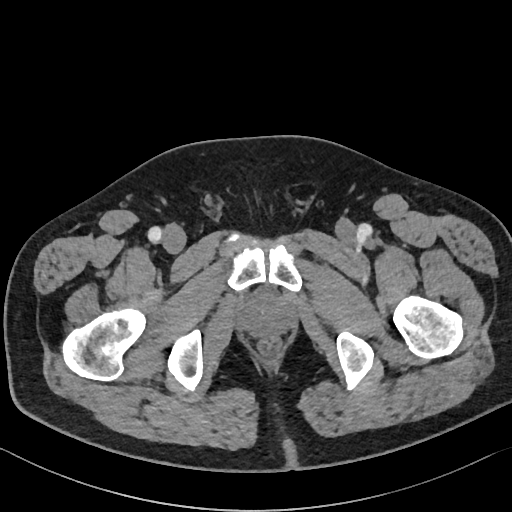 Computed tomography, abdomen. Axial slice 11/245
Box edges are left/top/right/bottom in pixels.
prostate/uterus: left=237, top=292, right=293, bottom=336